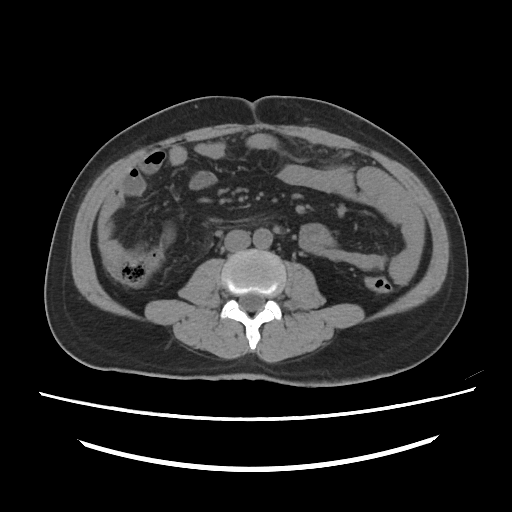

Computed tomography, abdomen · axial plane, index 45
Coordinates as <box>x1,y1,x2,y2</box> in pixels. The annotated organs in this slice are: aorta at <box>253,228,272,248</box>, inferior vena cava at <box>224,230,250,251</box>.